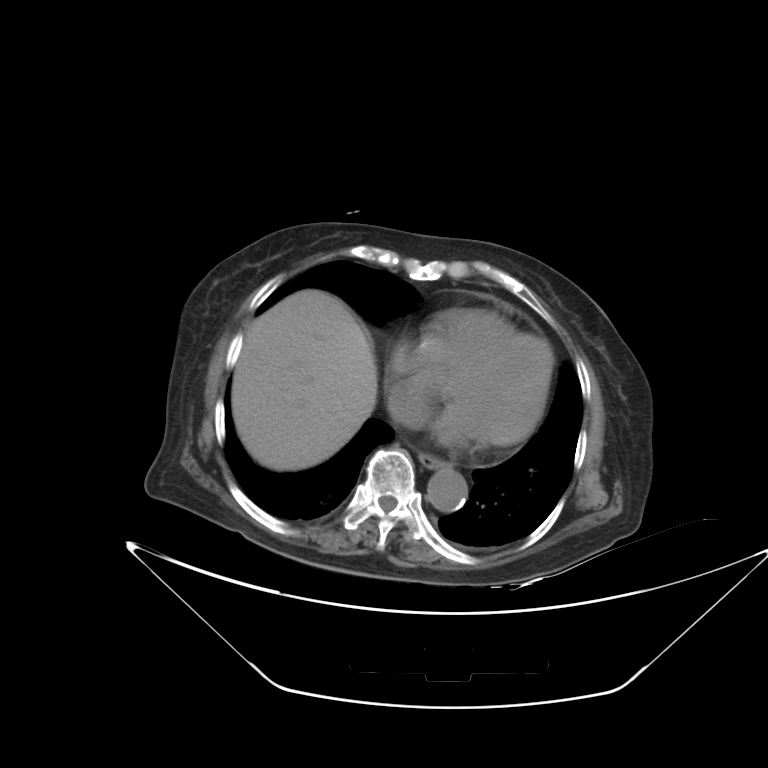
Computed tomography, abdomen — axial view — 768x768 px — 80-year-old female patient — scan has 15 labeled organs (that count is for the whole scan; organs this slice misses have no box)
Boxes are (x1, y1, x2, y2) in pixels.
Organ bounding boxes:
- esophagus: (419, 453, 445, 468)
- liver: (231, 290, 377, 470)
- aorta: (427, 466, 467, 512)
- inferior vena cava: (389, 388, 425, 426)